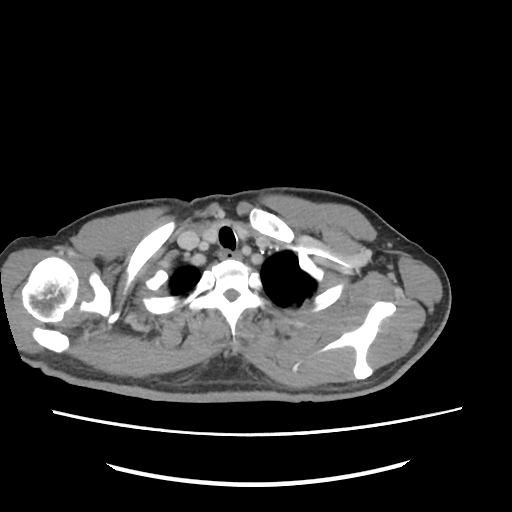
CT of the abdomen extending into the chest, slice through the chest · Axial slice 121/123 · 54-year-old male patient · 15 organs annotated in this scan (counted over the whole 3D scan, not this slice; an organ is boxed only where this slice passes through it)
On a slice this high in the chest, this dataset labels only the esophagus and the aorta, and each is boxed only where it is labeled; the heart, lungs and other chest structures are not labeled.
Coordinates as <box>x1,y1,x2,y2</box> in pixels.
Organ bounding boxes:
- esophagus: <box>219,251,240,260</box>